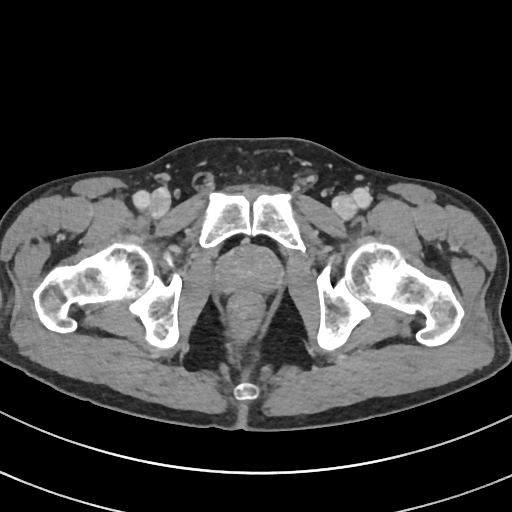

CT, abdomen/pelvis · axial plane, index 13 · 15 organs annotated in this scan (counted over the whole 3D scan, not this slice; an organ is boxed only where this slice passes through it)
One row per box, in pixels: columns x1 and y1 give the top-left corner, x2 and y2 the bottom-right.
| organ | x1 | y1 | x2 | y2 |
|---|---|---|---|---|
| prostate/uterus | 218 | 247 | 280 | 293 |